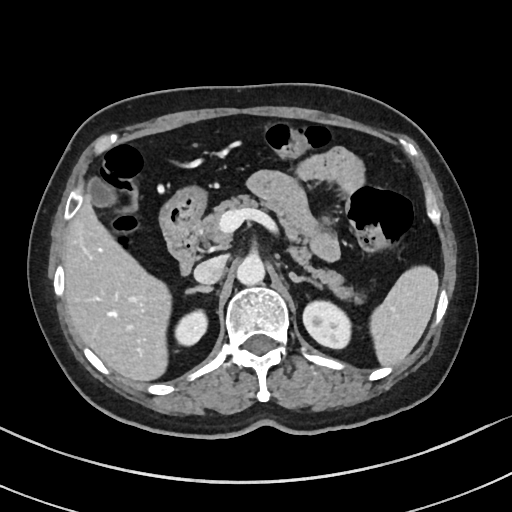 Computed tomography, abdomen — axial view — SOMATOM Force scanner — scan has 14 labeled organs (that count is for the whole scan; organs this slice misses have no box)
Coordinates as <box>x1,y1,x2,y2</box> in pixels.
spleen: <box>372,266,439,366</box>
right kidney: <box>175,312,205,343</box>
left kidney: <box>303,300,350,347</box>
gall bladder: <box>86,176,115,207</box>
liver: <box>63,192,170,381</box>
stomach: <box>159,186,207,241</box>
aorta: <box>236,257,264,286</box>
inferior vena cava: <box>194,255,226,284</box>
pancreas: <box>201,194,362,303</box>
right adrenal gland: <box>185,286,213,294</box>
left adrenal gland: <box>289,271,320,287</box>
duodenum: <box>165,225,198,276</box>